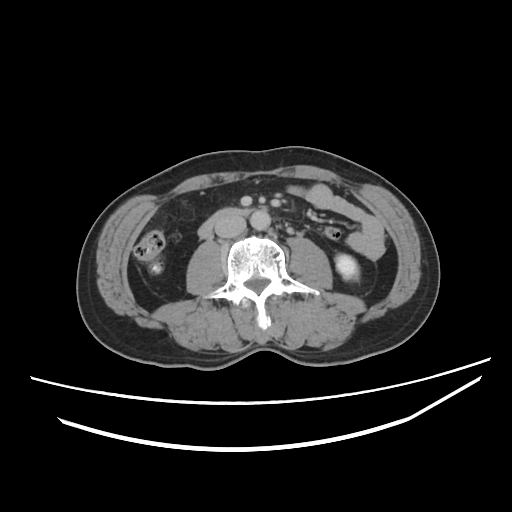 Abdominal CT. axial view. soft-tissue window (W 400 / L 40). 512x512 px. scan has 15 labeled organs (counted over the whole 3D scan, not this slice; an organ is boxed only where this slice passes through it)
Boxes: x1:y1:x2:y2 in pixels. The annotated organs in this slice are: left kidney at 335:254:359:279, aorta at 250:209:271:231, inferior vena cava at 213:215:245:237, duodenum at 199:208:251:239.